CT, abdomen/pelvis · Axial slice 90/101 · abdomen soft-tissue window · 768x768 px · 55-year-old male patient
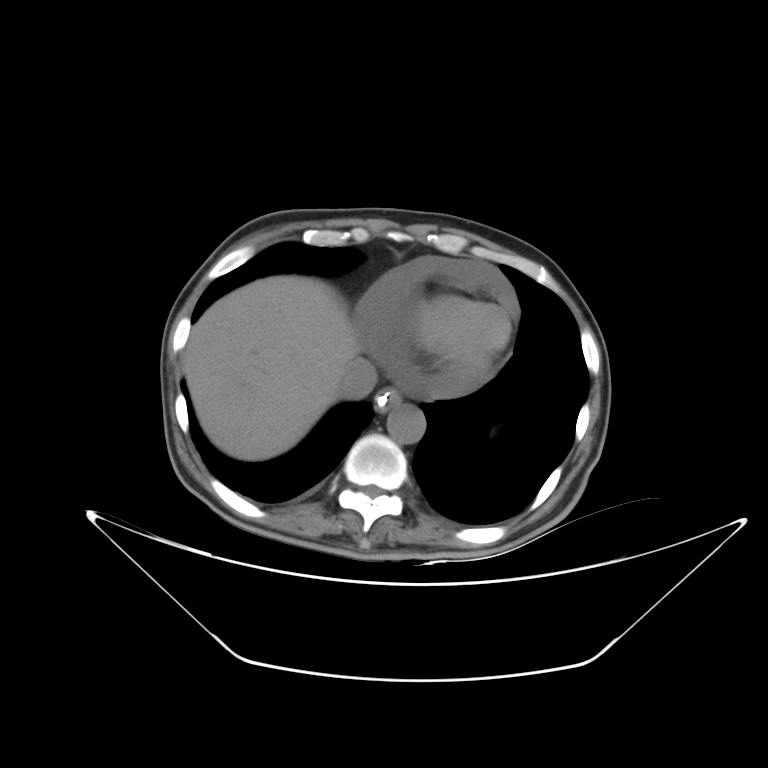
<organs><organ name="esophagus" x1="376" y1="389" x2="401" y2="411"/><organ name="aorta" x1="387" y1="405" x2="425" y2="443"/><organ name="liver" x1="182" y1="275" x2="359" y2="460"/><organ name="inferior vena cava" x1="336" y1="357" x2="377" y2="399"/></organs>